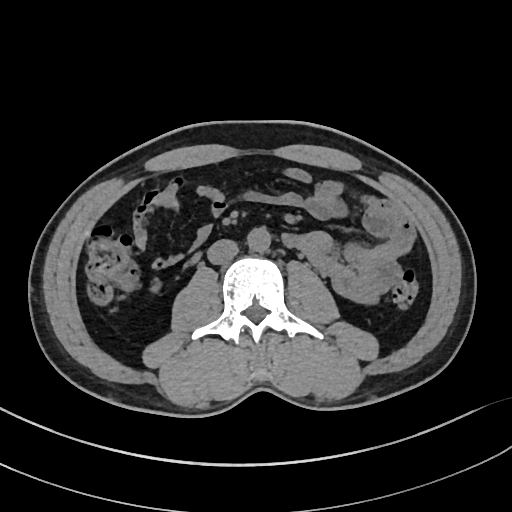

Computed tomography, abdomen. axial view. SOMATOM Force scanner. scan has 15 labeled organs (that count is for the whole scan; organs this slice misses have no box)
<organs><organ name="aorta" x1="247" y1="226" x2="271" y2="252"/><organ name="inferior vena cava" x1="207" y1="239" x2="238" y2="264"/></organs>